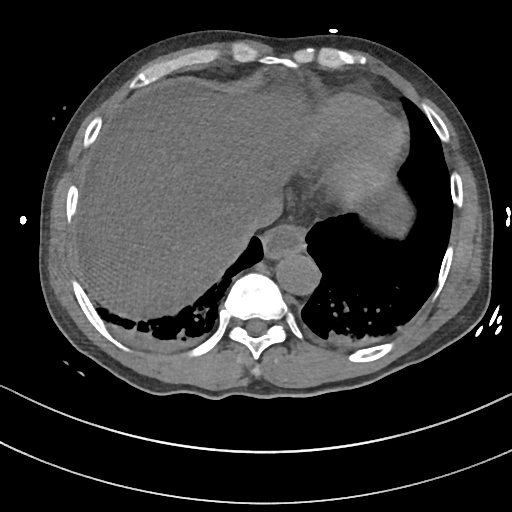
CT abdomen — axial plane, index 218 — 512x512 px
<organs><organ name="esophagus" x1="262" y1="224" x2="306" y2="258"/><organ name="liver" x1="88" y1="91" x2="412" y2="320"/><organ name="aorta" x1="276" y1="251" x2="320" y2="295"/><organ name="inferior vena cava" x1="233" y1="198" x2="282" y2="240"/></organs>